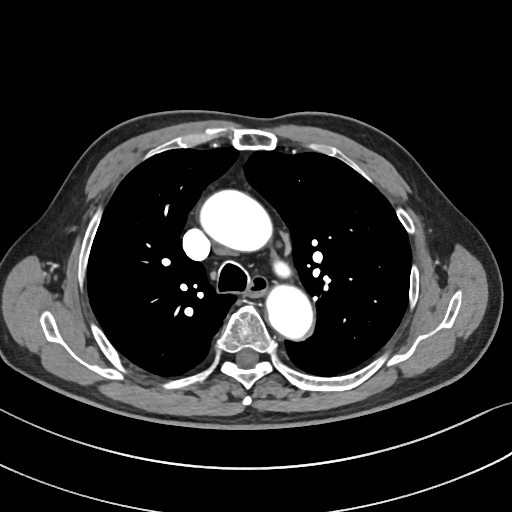

Abdominal CT reaching into the chest; this slice is in the chest — axial view — 512x512 px
At this level of the chest no structure but the esophagus and the aorta has a label in this dataset, and those two are boxed only where they are labeled. Boxes: x1:y1:x2:y2 in pixels. The annotated organs in this slice are: esophagus at 246:275:266:294, aorta at 202:190:273:252, aorta at 265:282:311:337.